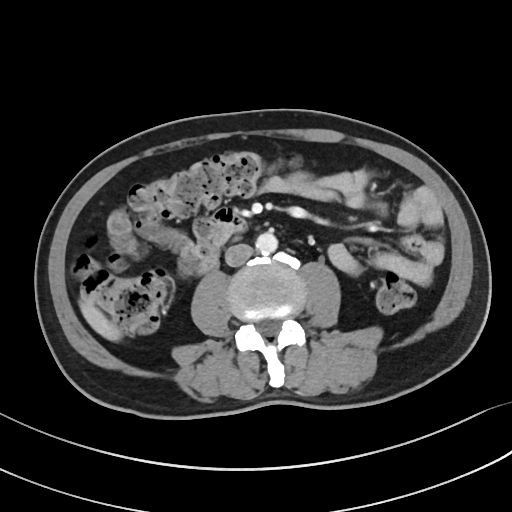

CT abdomen — Axial slice 48/128 — 512x512 px — acquired on SOMATOM Force — scan has 15 labeled organs (counted over the whole 3D scan, not this slice; an organ is boxed only where this slice passes through it)
<organs><organ name="liver" x1="79" y1="296" x2="121" y2="341"/><organ name="aorta" x1="255" y1="232" x2="277" y2="254"/><organ name="inferior vena cava" x1="225" y1="243" x2="253" y2="266"/><organ name="duodenum" x1="199" y1="208" x2="245" y2="273"/></organs>